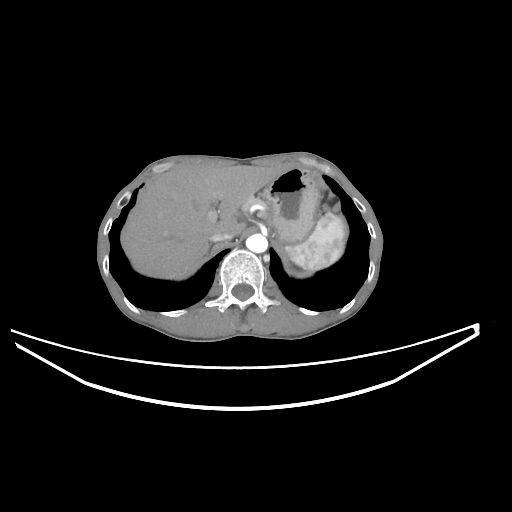

Abdominal CT. axial view. abdomen soft-tissue window
Boxes: x1:y1:x2:y2 in pixels. 6 labeled organs on this slice — spleen at 285:212:346:271; liver at 120:163:278:279; stomach at 262:167:318:242; aorta at 245:234:267:252; inferior vena cava at 209:229:234:242; pancreas at 243:198:260:209.